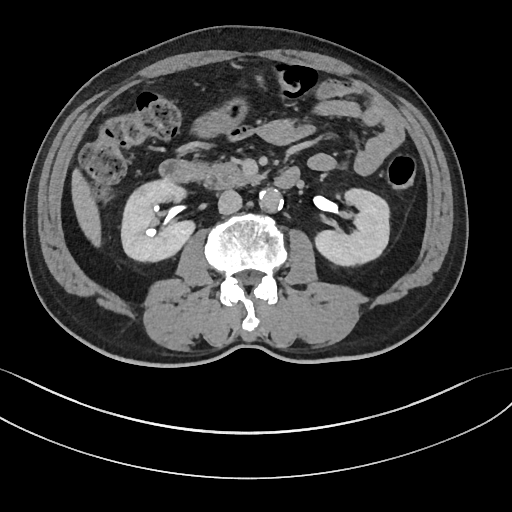

Computed tomography, abdomen — axial plane, index 138 — 512x512 px — SOMATOM Force scanner
<organs><organ name="right kidney" x1="121" y1="179" x2="194" y2="261"/><organ name="left kidney" x1="315" y1="188" x2="389" y2="265"/><organ name="liver" x1="71" y1="169" x2="100" y2="246"/><organ name="stomach" x1="192" y1="97" x2="248" y2="137"/><organ name="aorta" x1="259" y1="188" x2="283" y2="211"/><organ name="inferior vena cava" x1="218" y1="189" x2="241" y2="214"/><organ name="pancreas" x1="206" y1="161" x2="262" y2="188"/><organ name="duodenum" x1="159" y1="159" x2="299" y2="188"/></organs>